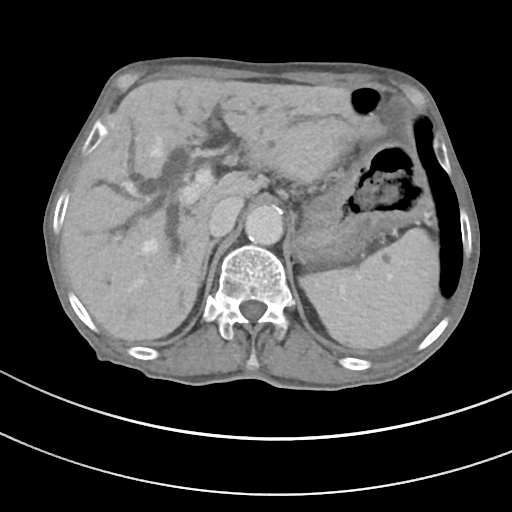
Computed tomography, abdomen. Axial slice 66/122. soft-tissue window (W 400 / L 40). 512x512 px. 15 organs annotated in this scan (a whole-scan count: organs this slice does not pass through have no box)
Boxes are (x1, y1, x2, y2) in pixels.
right adrenal gland: (200, 240, 217, 282)
stomach: (294, 142, 425, 263)
aorta: (245, 205, 283, 245)
spleen: (299, 228, 438, 348)
inferior vena cava: (208, 196, 243, 237)
liver: (63, 78, 371, 340)